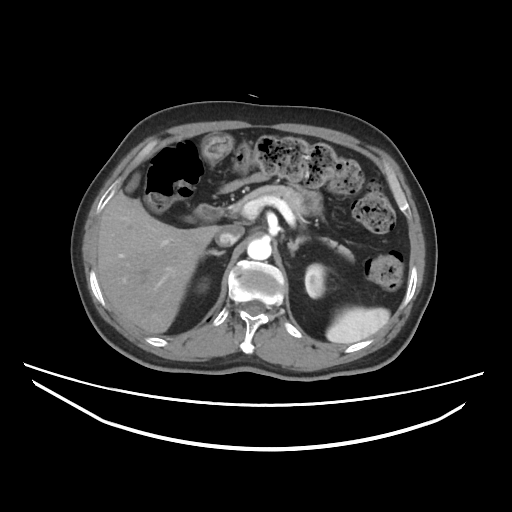

CT abdomen — Axial slice 70/124 — soft-tissue window — 512x512 px
Boxes: x1:y1:x2:y2 in pixels. 11 labeled organs on this slice — spleen at 326:307:390:343; right kidney at 195:278:207:292; left kidney at 305:263:325:298; gall bladder at 126:173:139:192; liver at 97:191:220:333; aorta at 247:238:271:260; inferior vena cava at 216:224:244:246; pancreas at 230:185:353:259; right adrenal gland at 205:249:225:255; left adrenal gland at 287:238:306:254; duodenum at 194:204:223:222.